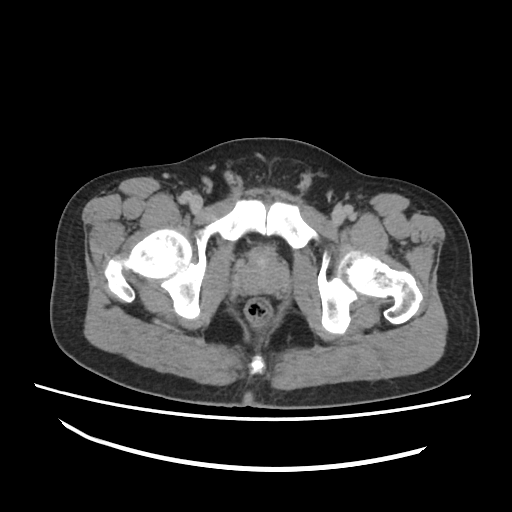 Abdominal CT — Axial slice 16/97 — abdomen soft-tissue window — 44-year-old male patient
Bounding boxes as [x1, y1, x2, y2] in pixel coordinates.
Organ bounding boxes:
- prostate/uterus: [239, 247, 285, 291]